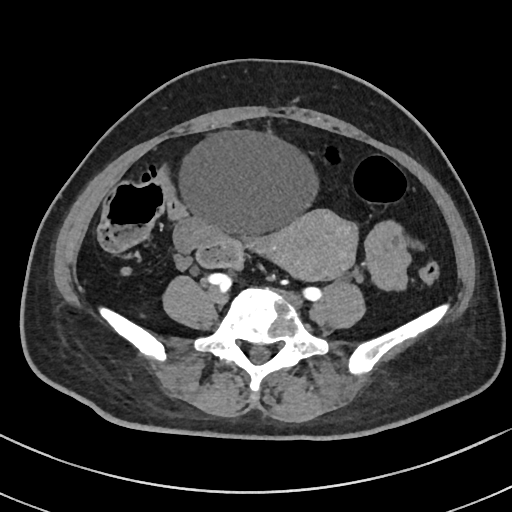 CT abdomen · axial plane, index 79 · soft-tissue window (W 400 / L 40) · 512x512 px · acquired on SOMATOM Force
Bounding boxes as [x1, y1, x2, y2] in pixel coordinates. 2 labeled organs on this slice — bladder at [178, 129, 321, 237]; prostate/uterus at [247, 209, 359, 280].